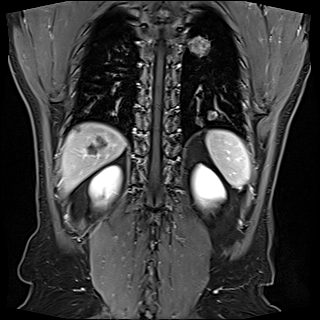

MRI, abdomen; coronal plane, index 9; percentile-normalized; 320x320 px; acquired on Prisma
Each box given as x1,y1,x2,y2.
liver: x1=61, y1=123, x2=126, y2=191
spleen: x1=206, y1=129, x2=250, y2=189
right kidney: x1=88, y1=165, x2=124, y2=209
left kidney: x1=193, y1=164, x2=227, y2=206